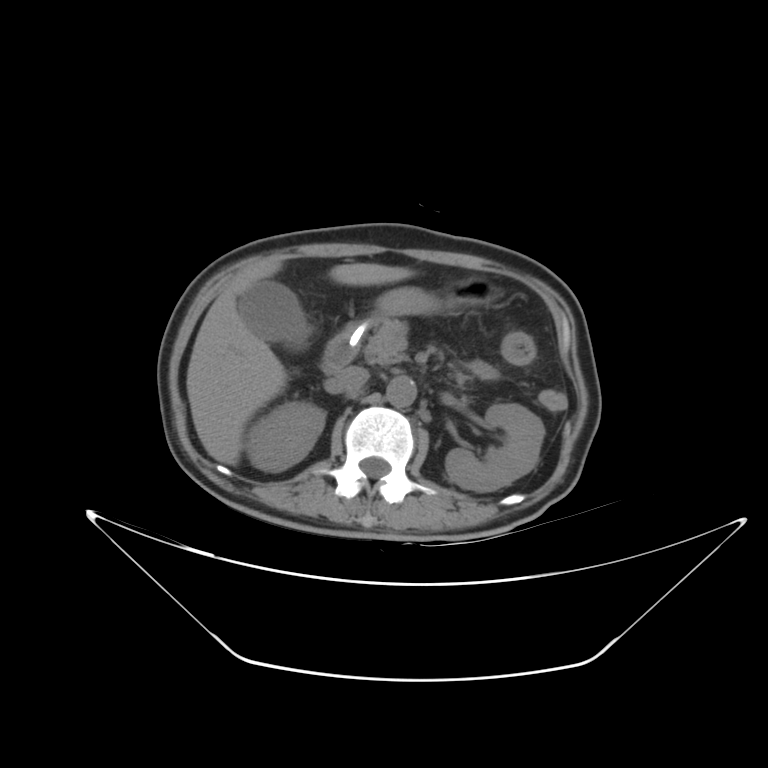 CT, abdomen/pelvis · axial view · 768x768 px · scan has 15 labeled organs (a whole-scan count: organs this slice does not pass through have no box)
Boxes: x1 y1 x2 y2 (pixel coords, space-separated).
right kidney: 245 401 324 471
left kidney: 445 404 544 492
gall bladder: 238 281 308 346
liver: 186 256 413 465
stomach: 380 275 500 315
aorta: 386 376 416 407
inferior vena cava: 334 366 369 393
pancreas: 363 318 408 365
duodenum: 321 317 382 374